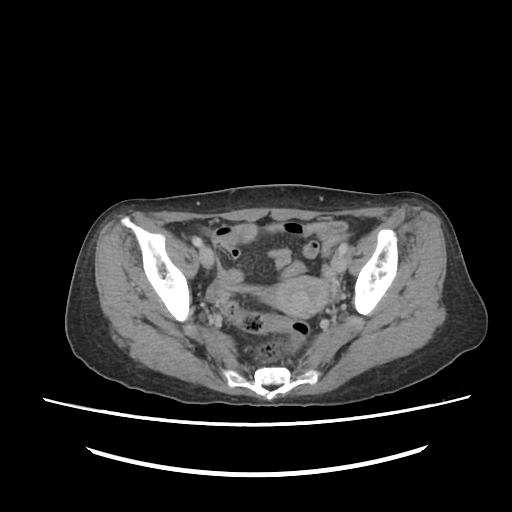

Computed tomography, abdomen — axial view — soft-tissue window (W 400 / L 40)
Boxes: x1:y1:x2:y2 in pixels.
Organ bounding boxes:
- prostate/uterus: 265:275:339:318